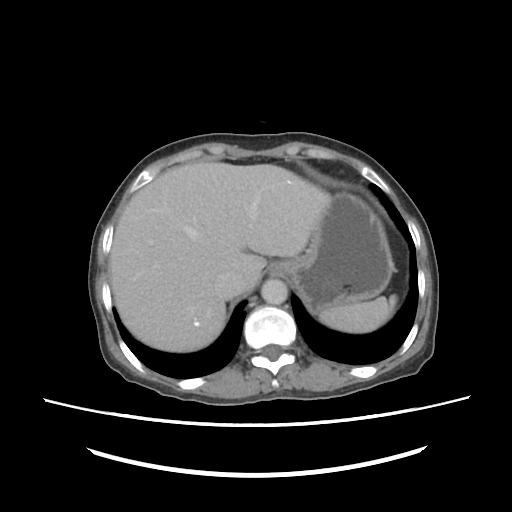
Abdominal CT; axial plane, index 81; 512x512 px; 60-year-old female patient
<organs><organ name="spleen" x1="320" y1="296" x2="398" y2="331"/><organ name="esophagus" x1="268" y1="261" x2="292" y2="277"/><organ name="liver" x1="109" y1="161" x2="327" y2="352"/><organ name="stomach" x1="291" y1="191" x2="394" y2="308"/><organ name="aorta" x1="260" y1="277" x2="288" y2="304"/><organ name="inferior vena cava" x1="214" y1="271" x2="242" y2="299"/></organs>